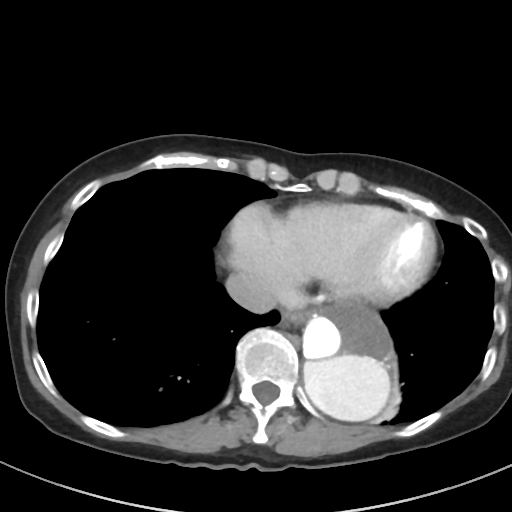 Lower-chest slice from an abdominal CT, just above the liver and spleen; axial view; soft-tissue window
Of the structures in the chest, this dataset labels only the esophagus, the aorta and the inferior vena cava; the heart and lungs have no label. Coordinates as <box>x1,y1,x2,y2</box> in pixels. Labeled organs on this slice: esophagus at <box>281,310,308,325</box>, aorta at <box>300,303,397,423</box>, inferior vena cava at <box>225,272,277,313</box>.